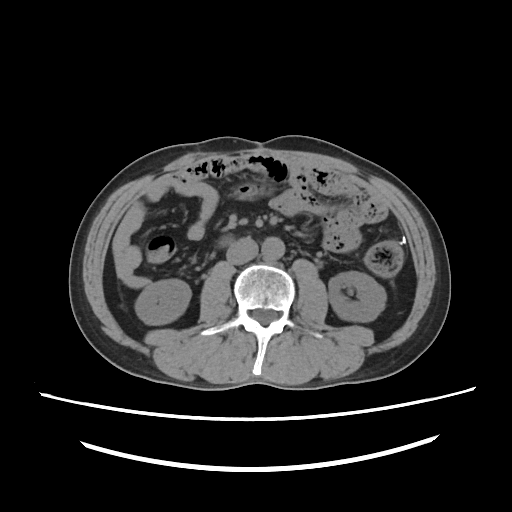
CT, abdomen/pelvis — axial view — W/L 400/40 HU — Aquilion ONE scanner
Boxes: x1 y1 x2 y2 (pixel coords, space-separated).
Organ bounding boxes:
- right kidney: 135 280 191 325
- left kidney: 328 271 384 321
- aorta: 262 234 285 261
- inferior vena cava: 226 238 257 264